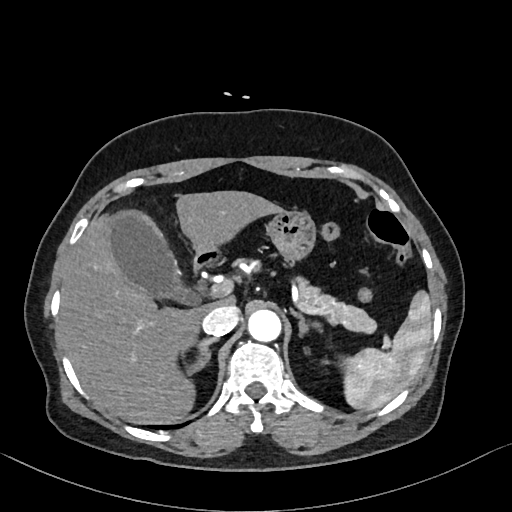
CT, abdomen/pelvis; axial view; abdomen soft-tissue window
Boxes: x1:y1:x2:y2 in pixels.
Organ bounding boxes:
- spleen: 342:290:431:411
- gall bladder: 107:211:196:304
- liver: 60:190:284:423
- stomach: 267:210:316:262
- aorta: 248:310:281:342
- inferior vena cava: 202:305:239:337
- pancreas: 299:282:376:334
- right adrenal gland: 181:338:217:374
- left adrenal gland: 294:313:323:335
- duodenum: 194:254:223:269